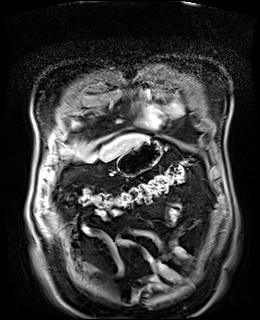

Abdominal MRI — coronal view — 1st–99th percentile window
Boxes: x1:y1:x2:y2 in pixels.
Organ bounding boxes:
- stomach: 117:139:161:176
- liver: 74:133:148:162